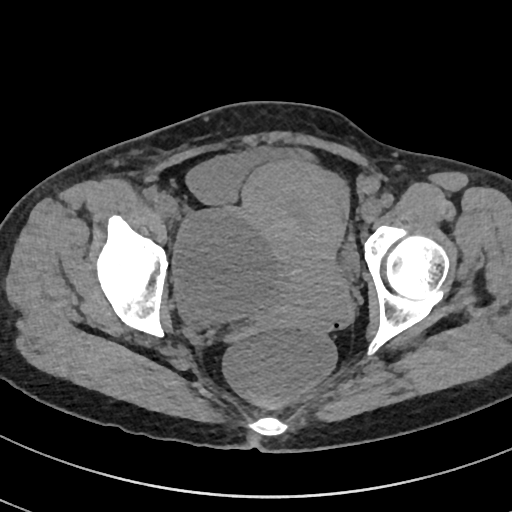
Computed tomography, abdomen; Axial slice 33/218; 512x512 px; SOMATOM Force scanner
One row per box, in pixels: columns x1 and y1 give the top-left corner, x2 and y2 the bottom-right.
| organ | x1 | y1 | x2 | y2 |
|---|---|---|---|---|
| bladder | 185 | 147 | 360 | 270 |
| prostate/uterus | 243 | 161 | 353 | 332 |